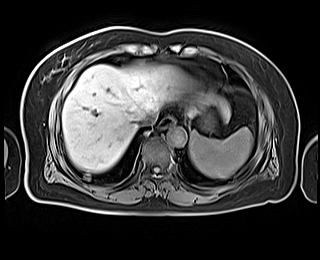
Magnetic resonance imaging, abdomen · axial view · Prisma scanner
Box edges are left/top/right/bottom in pixels.
spleen: left=189, top=127, right=253, bottom=178
liver: left=62, top=62, right=230, bottom=172
aorta: left=167, top=127, right=186, bottom=146
inferior vena cava: left=137, top=111, right=157, bottom=126
stomach: left=198, top=110, right=216, bottom=131
esophagus: left=159, top=117, right=174, bottom=129